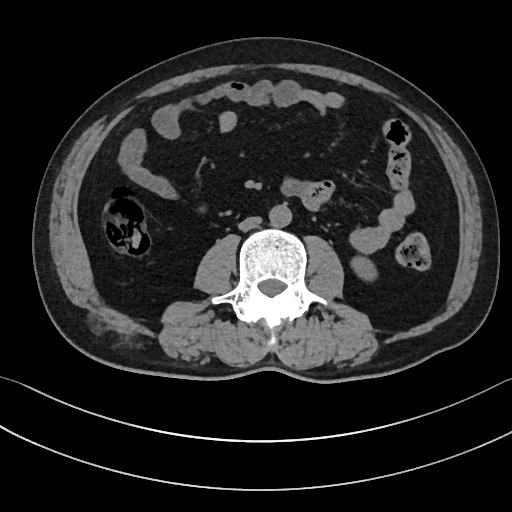

CT abdomen — axial plane, index 121 — abdomen soft-tissue window — 512x512 px — scan has 15 labeled organs (counted over the whole 3D scan, not this slice; an organ is boxed only where this slice passes through it)
<organs><organ name="left kidney" x1="351" y1="256" x2="376" y2="280"/><organ name="aorta" x1="269" y1="204" x2="292" y2="227"/><organ name="inferior vena cava" x1="238" y1="216" x2="261" y2="231"/></organs>